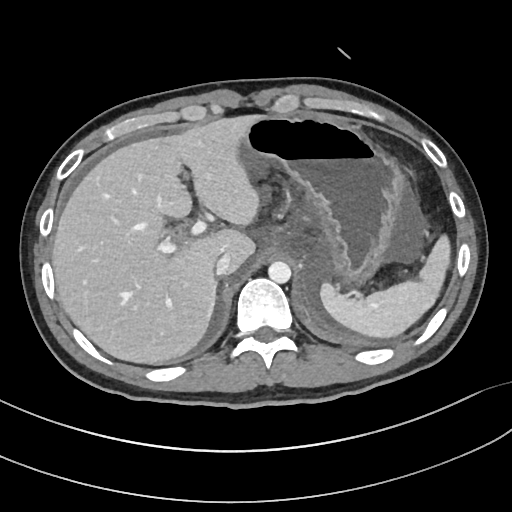 CT, abdomen/pelvis. axial plane, index 195. 512x512 px
Each box given as x1,y1,x2,y2.
right adrenal gland: x1=208, y1=281, x2=218, y2=322
liver: x1=52, y1=115, x2=257, y2=364
stomach: x1=234, y1=115, x2=406, y2=281
inferior vena cava: x1=215, y1=253, x2=230, y2=275
spleen: x1=321, y1=234, x2=452, y2=338
aorta: x1=268, y1=261, x2=290, y2=283